Abdominal MRI — Coronal slice 38/60 — 1st–99th percentile window
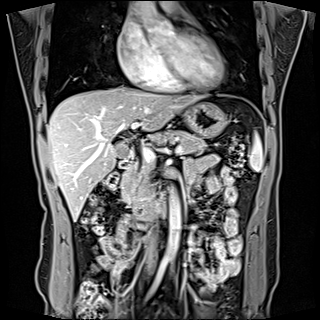 Coordinates as <box>x1,y1,x2,y2</box> in pixels. Labeled organs on this slice: spleen at <box>249,134,262,171</box>, gall bladder at <box>116,142,128,157</box>, liver at <box>47,86,200,221</box>, stomach at <box>183,102,226,137</box>, aorta at <box>162,191,180,260</box>, inferior vena cava at <box>150,236,155,261</box>, pancreas at <box>121,131,206,205</box>, duodenum at <box>119,150,164,214</box>.